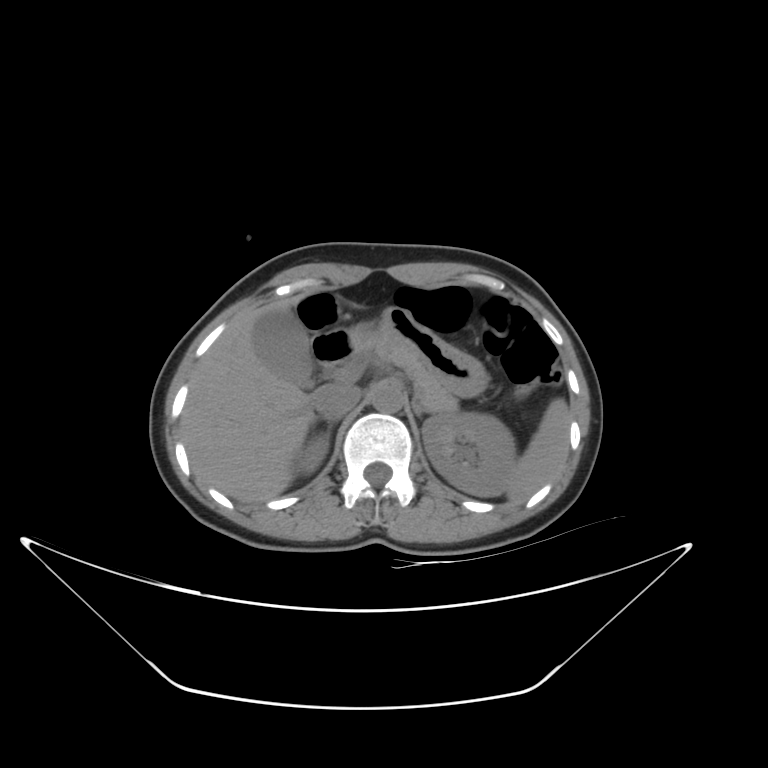
Abdominal CT. axial view. abdomen soft-tissue window. 768x768 px. 43-year-old female patient
Bounding boxes in pixels, one row per box: x1, y1 is the top-left corner and x2, y2 the bottom-right.
| organ | x1 | y1 | x2 | y2 |
|---|---|---|---|---|
| spleen | 506 | 398 | 570 | 501 |
| right kidney | 294 | 440 | 328 | 472 |
| left kidney | 422 | 413 | 515 | 496 |
| gall bladder | 252 | 308 | 314 | 387 |
| liver | 180 | 295 | 315 | 504 |
| stomach | 349 | 306 | 489 | 397 |
| aorta | 371 | 383 | 403 | 412 |
| inferior vena cava | 313 | 383 | 360 | 420 |
| pancreas | 366 | 341 | 459 | 412 |
| left adrenal gland | 413 | 402 | 435 | 417 |
| duodenum | 312 | 330 | 355 | 372 |